Computed tomography, abdomen. Axial slice 159/173. W/L 400/40 HU
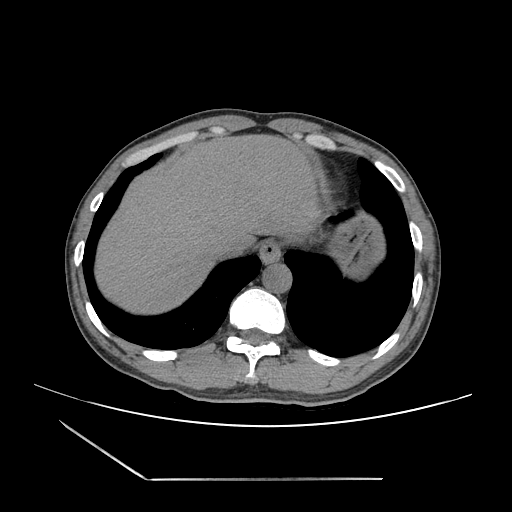
<organs><organ name="esophagus" x1="259" y1="240" x2="282" y2="263"/><organ name="liver" x1="94" y1="133" x2="321" y2="313"/><organ name="stomach" x1="327" y1="210" x2="384" y2="275"/><organ name="aorta" x1="262" y1="263" x2="291" y2="293"/><organ name="inferior vena cava" x1="217" y1="235" x2="247" y2="260"/></organs>